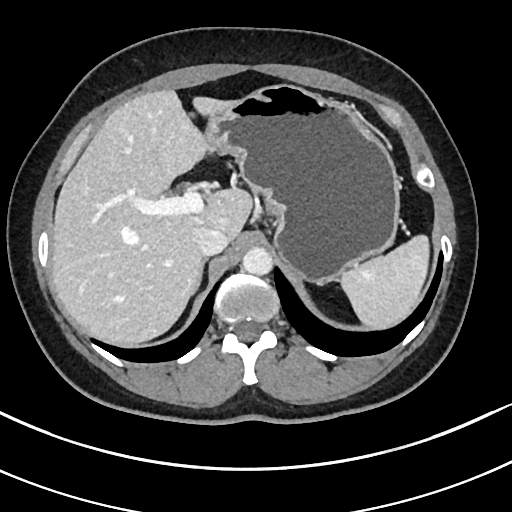 CT, abdomen/pelvis — axial view — soft-tissue window (W 400 / L 40) — 512x512 px
One row per box, in pixels: columns x1 and y1 give the top-left corner, x2 and y2 the bottom-right.
| organ | x1 | y1 | x2 | y2 |
|---|---|---|---|---|
| right adrenal gland | 195 | 258 | 207 | 291 |
| aorta | 242 | 247 | 272 | 275 |
| spleen | 339 | 235 | 428 | 328 |
| liver | 51 | 90 | 252 | 344 |
| stomach | 206 | 84 | 400 | 284 |
| inferior vena cava | 192 | 226 | 228 | 255 |